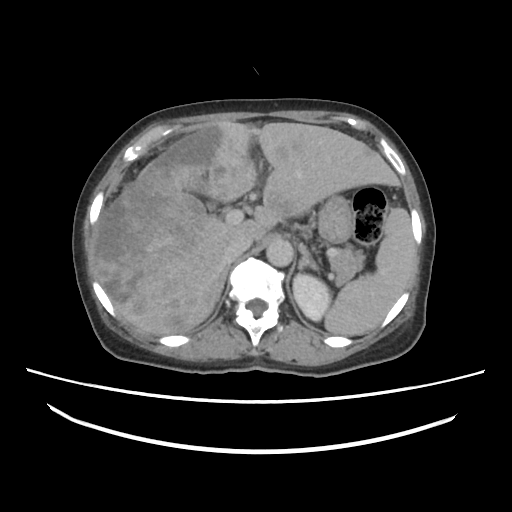

Computed tomography, abdomen — Axial slice 73/100 — soft-tissue window (W 400 / L 40) — 512x512 px — 71-year-old female patient
<organs><organ name="spleen" x1="324" y1="207" x2="414" y2="335"/><organ name="left kidney" x1="293" y1="275" x2="330" y2="320"/><organ name="liver" x1="92" y1="121" x2="398" y2="335"/><organ name="stomach" x1="318" y1="194" x2="351" y2="245"/><organ name="aorta" x1="266" y1="238" x2="292" y2="266"/><organ name="inferior vena cava" x1="224" y1="232" x2="252" y2="260"/><organ name="pancreas" x1="331" y1="250" x2="365" y2="283"/><organ name="right adrenal gland" x1="216" y1="266" x2="228" y2="298"/><organ name="left adrenal gland" x1="298" y1="252" x2="319" y2="272"/></organs>